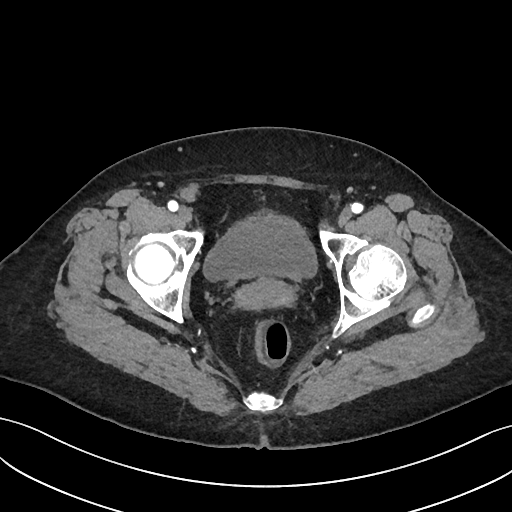 CT, abdomen/pelvis. axial view. soft-tissue window (W 400 / L 40). 512x512 px. 15 organs annotated in this scan (that count is for the whole scan; organs this slice misses have no box)
One row per box, in pixels: columns x1 and y1 give the top-left corner, x2 and y2 the bottom-right.
| organ | x1 | y1 | x2 | y2 |
|---|---|---|---|---|
| bladder | 203 | 213 | 317 | 280 |
| prostate/uterus | 236 | 277 | 293 | 310 |